Computed tomography, abdomen. axial view. acquired on Aquilion ONE. 14 organs annotated in this scan (that count is for the whole scan; organs this slice misses have no box)
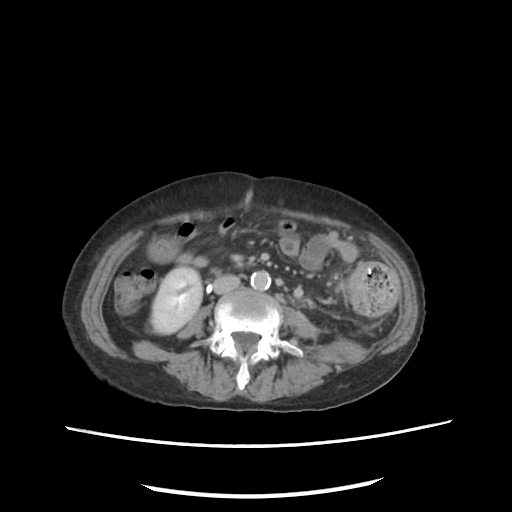

Boxes: x1 y1 x2 y2 (pixel coords, space-separated). The annotated organs in this slice are: right kidney at 150 267 202 334, aorta at 250 271 270 290, inferior vena cava at 213 275 239 293.